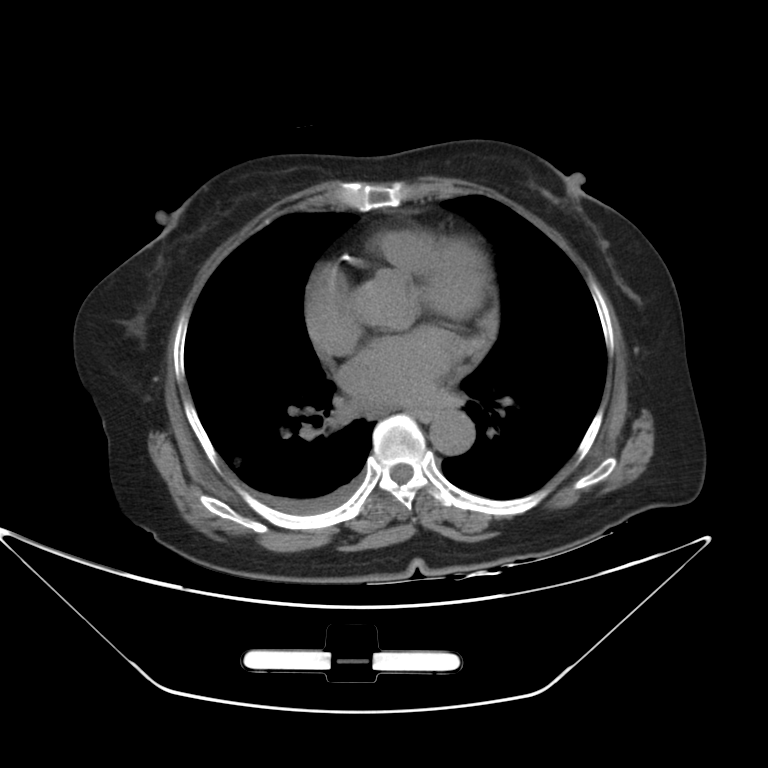 CT of the abdomen reaching into the lower chest, slice just above the liver and spleen; Axial slice 95/97; soft-tissue window (W 400 / L 40); scan has 15 labeled organs (a whole-scan count: organs this slice does not pass through have no box)
Of the structures in the chest, this dataset labels only the esophagus, the aorta and the inferior vena cava; the heart and lungs have no label.
Box edges are left/top/right/bottom in pixels.
esophagus: left=413, top=407, right=434, bottom=421
aorta: left=430, top=411, right=475, bottom=454